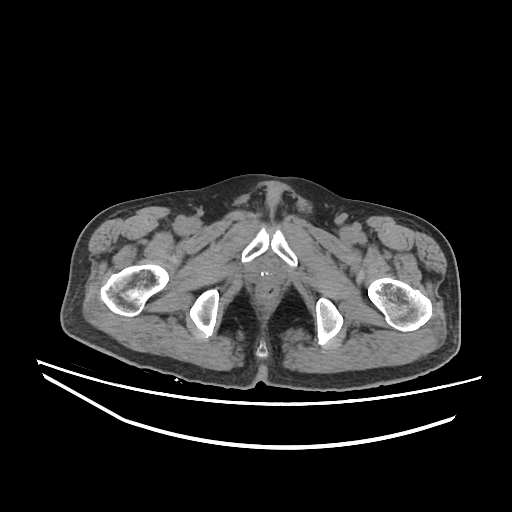
CT, abdomen/pelvis; Axial slice 12/89; scan has 15 labeled organs (counted over the whole 3D scan, not this slice; an organ is boxed only where this slice passes through it)
{"organs":{"prostate/uterus":[256,261,277,280]}}